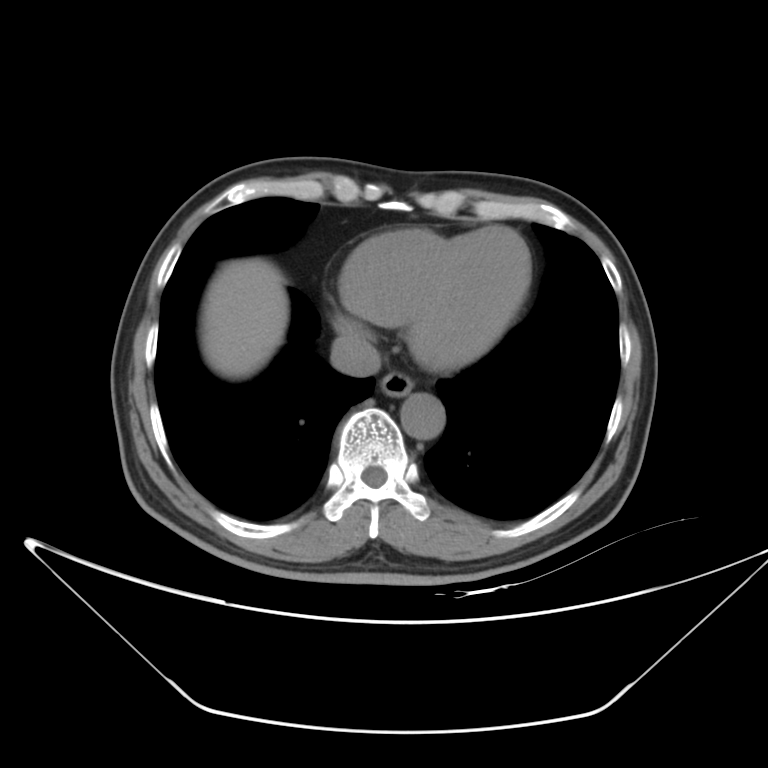
CT, abdomen/pelvis — axial view — abdomen soft-tissue window
{"organs":{"esophagus":[380,370,414,396],"liver":[202,261,288,374],"aorta":[400,393,445,438],"inferior vena cava":[330,333,380,376]}}